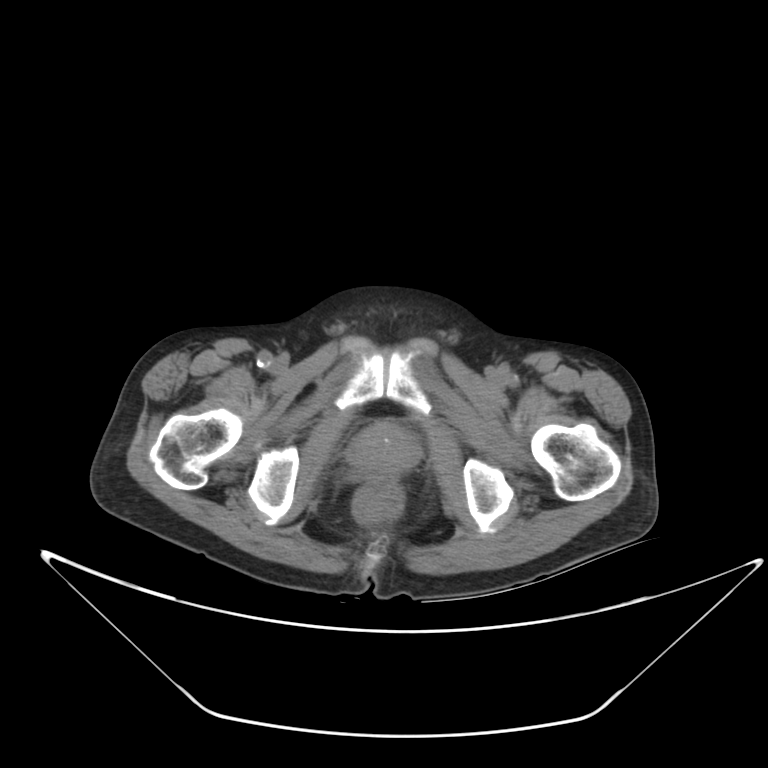 CT abdomen — axial view — soft-tissue window — Brilliance16 scanner
Bounding boxes as [x1, y1, x2, y2] in pixel coordinates. 1 labeled organ on this slice — prostate/uterus at [350, 422, 417, 473].